Abdominal MRI · coronal plane, index 40
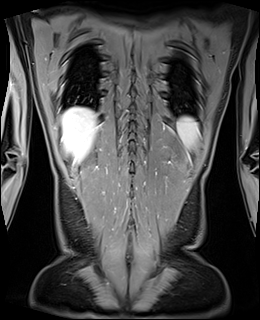
<organs><organ name="spleen" x1="177" y1="117" x2="198" y2="148"/><organ name="liver" x1="62" y1="107" x2="97" y2="162"/></organs>